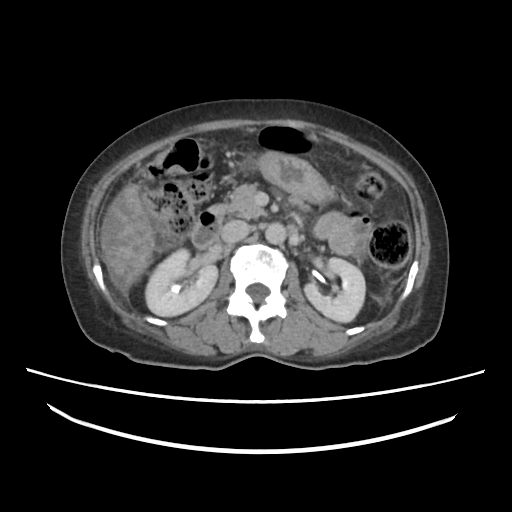 CT abdomen · axial view · 512x512 px · 71-year-old female patient · acquired on Aquilion ONE
Bounding boxes as [x1, y1, x2, y2] in pixel coordinates.
Organ bounding boxes:
- right kidney: [145, 248, 217, 316]
- left kidney: [305, 257, 365, 322]
- liver: [99, 133, 315, 293]
- stomach: [259, 151, 332, 203]
- aorta: [264, 223, 286, 245]
- inferior vena cava: [220, 219, 250, 243]
- pancreas: [228, 184, 263, 218]
- duodenum: [189, 205, 223, 248]